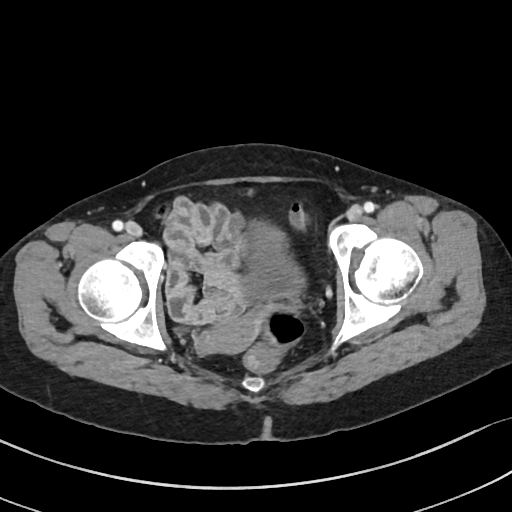
Abdominal CT · axial view · soft-tissue window (W 400 / L 40)
Each box given as x1,y1,x2,y2.
prostate/uterus: x1=203, y1=314, x2=259, y2=353
bladder: x1=246, y1=221, x2=304, y2=297